Computed tomography, abdomen. axial plane, index 51. 56-year-old female patient
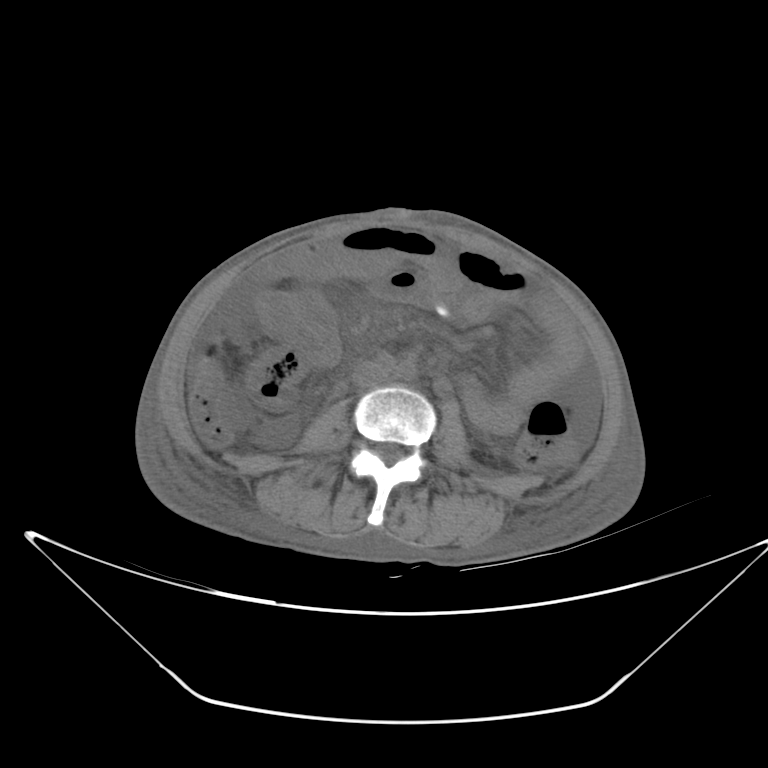

{"organs":{"inferior vena cava":[352,362,386,388]}}